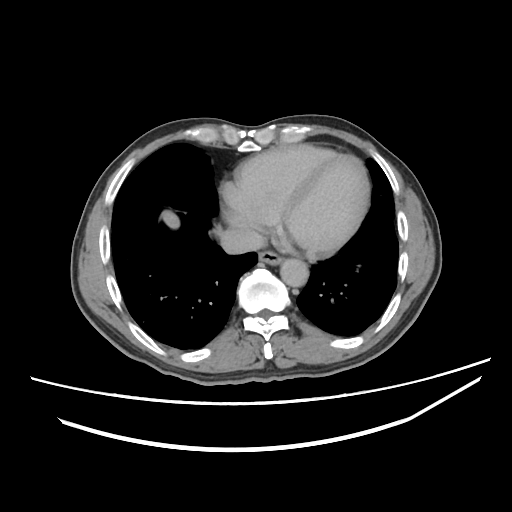

Computed tomography, abdomen — axial view — 512x512 px — 58-year-old male patient
<organs><organ name="esophagus" x1="258" y1="251" x2="284" y2="264"/><organ name="liver" x1="161" y1="209" x2="179" y2="228"/><organ name="aorta" x1="280" y1="259" x2="309" y2="286"/><organ name="inferior vena cava" x1="219" y1="227" x2="263" y2="254"/></organs>